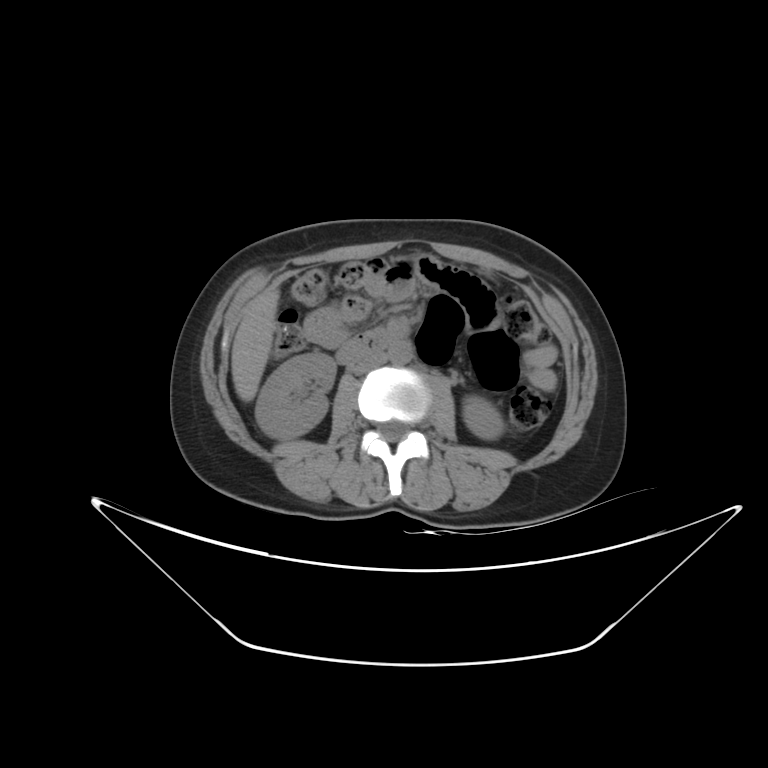

Abdominal CT · axial view · 38-year-old female patient
{"organs":{"right kidney":[255,352,336,439],"left kidney":[463,396,503,439],"liver":[231,289,279,401],"aorta":[388,342,412,364],"inferior vena cava":[349,353,386,374],"duodenum":[336,331,393,364]}}